Lower-chest slice from an abdominal CT, just above the liver and spleen; axial plane, index 76; W/L 400/40 HU; SOMATOM Force scanner
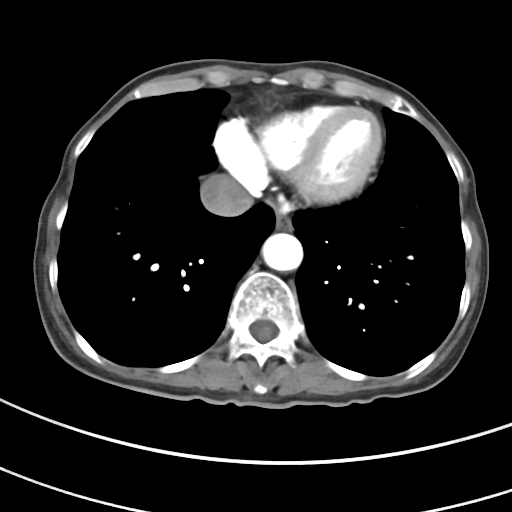 No part of the heart or lungs is labeled in this dataset, so neither has a box here.
{"organs":{"aorta":[261,233,303,271],"inferior vena cava":[199,174,252,217],"esophagus":[275,214,292,230]}}